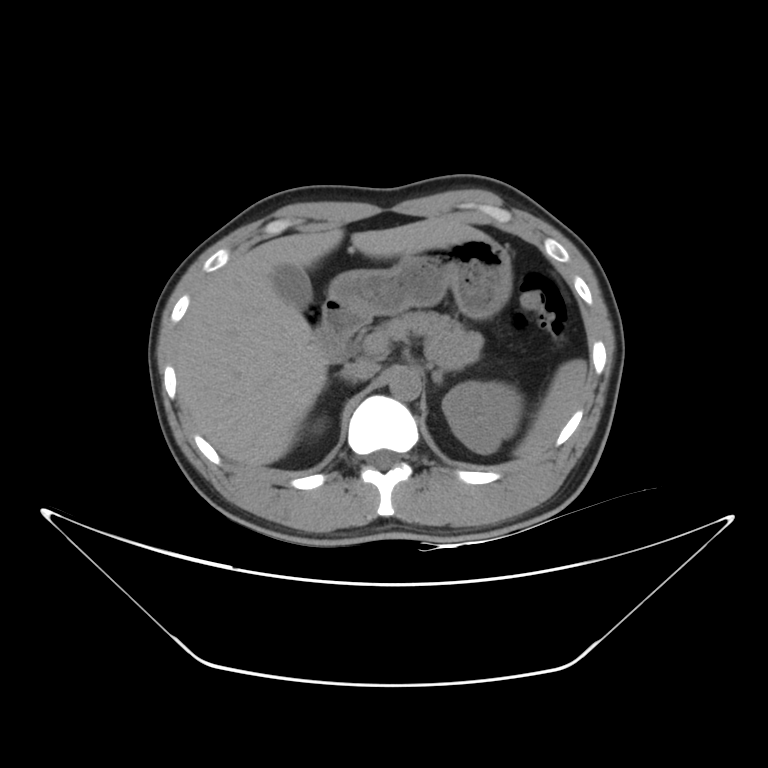
CT abdomen · axial plane, index 74 · 768x768 px
One row per box, in pixels: columns x1 and y1 give the top-left corner, x2 and y2 the bottom-right.
| organ | x1 | y1 | x2 | y2 |
|---|---|---|---|---|
| spleen | 515 | 359 | 586 | 456 |
| right kidney | 308 | 418 | 324 | 436 |
| left kidney | 442 | 381 | 523 | 454 |
| gall bladder | 273 | 264 | 312 | 311 |
| liver | 175 | 216 | 486 | 466 |
| stomach | 329 | 237 | 512 | 319 |
| aorta | 389 | 368 | 420 | 401 |
| inferior vena cava | 340 | 360 | 378 | 380 |
| pancreas | 378 | 311 | 484 | 369 |
| right adrenal gland | 343 | 377 | 356 | 384 |
| left adrenal gland | 431 | 370 | 442 | 384 |
| duodenum | 315 | 299 | 367 | 363 |